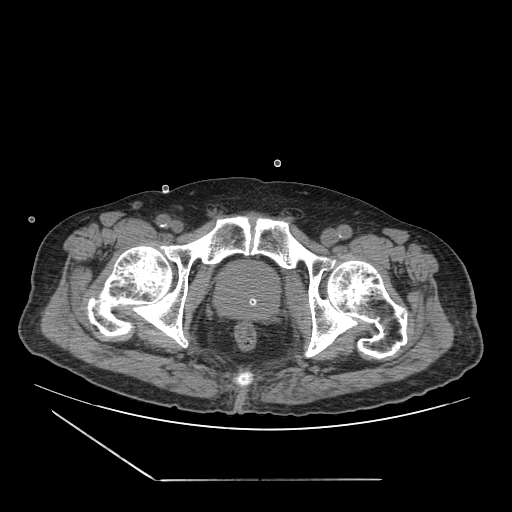 Computed tomography, abdomen. axial plane, index 20. abdomen soft-tissue window
Bounding boxes in pixels, one row per box: x1, y1 is the top-left corner and x2, y2 the bottom-right.
| organ | x1 | y1 | x2 | y2 |
|---|---|---|---|---|
| prostate/uterus | 214 | 260 | 280 | 320 |